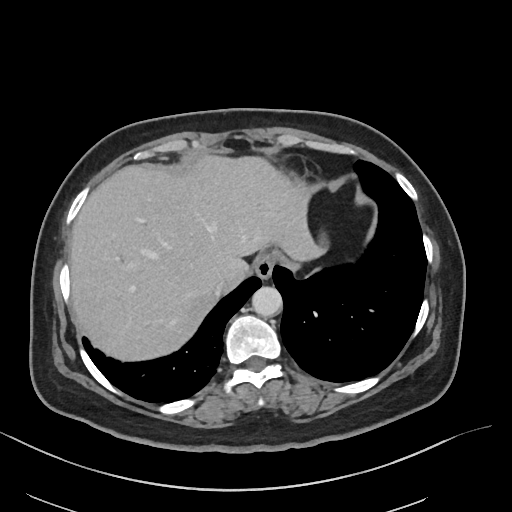
CT, abdomen/pelvis · axial plane, index 204 · soft-tissue window
<organs><organ name="esophagus" x1="254" y1="254" x2="274" y2="279"/><organ name="liver" x1="70" y1="157" x2="325" y2="360"/><organ name="aorta" x1="251" y1="286" x2="282" y2="317"/><organ name="inferior vena cava" x1="214" y1="279" x2="225" y2="294"/></organs>